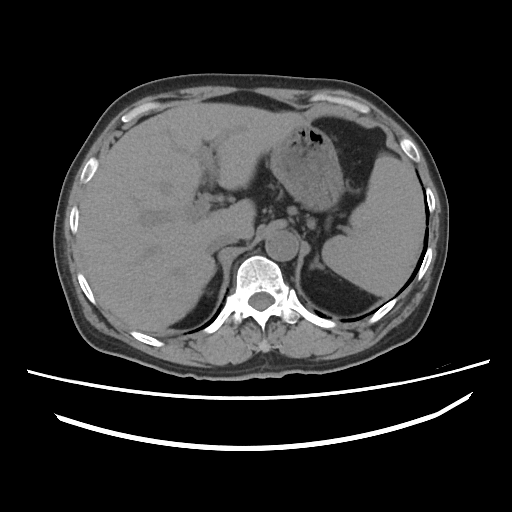 CT, abdomen/pelvis; axial view; acquired on Aquilion ONE
Boxes: x1:y1:x2:y2 in pixels. Labeled organs on this slice: spleen at 322:153:424:297, liver at 80:102:304:332, stomach at 269:124:344:210, aorta at 265:230:298:261, inferior vena cava at 207:231:237:253, left adrenal gland at 311:255:322:268.